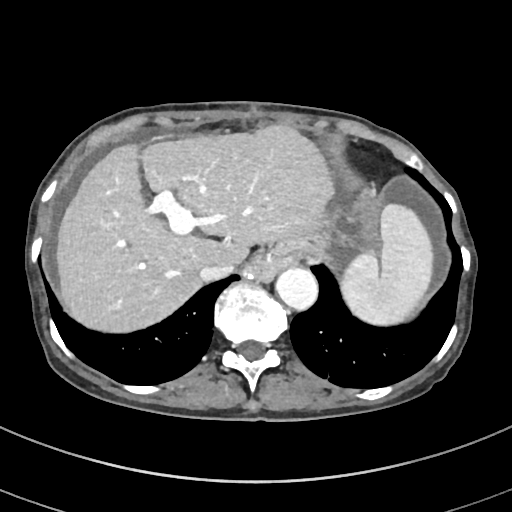

Computed tomography, abdomen. axial view. 512x512 px. scan has 14 labeled organs (that count is for the whole scan; organs this slice misses have no box)
Bounding boxes in pixels, one row per box: x1, y1 is the top-left corner and x2, y2 the bottom-right.
| organ | x1 | y1 | x2 | y2 |
|---|---|---|---|---|
| spleen | 341 | 204 | 433 | 325 |
| liver | 55 | 123 | 334 | 332 |
| aorta | 275 | 267 | 318 | 310 |
| inferior vena cava | 199 | 262 | 234 | 281 |